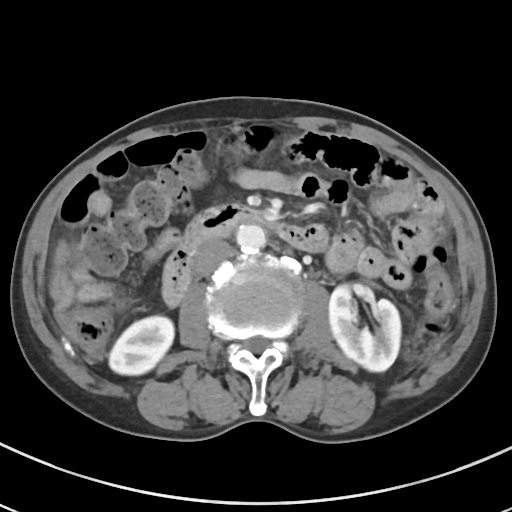

Abdominal CT — axial view — scan has 15 labeled organs (counted over the whole 3D scan, not this slice; an organ is boxed only where this slice passes through it)
Box edges are left/top/right/bottom in pixels. The annotated organs in this slice are: right kidney at left=109, top=316, right=173, bottom=375, left kidney at left=329, top=284, right=400, bottom=371, aorta at left=236, top=225, right=266, bottom=252, inferior vena cava at left=193, top=240, right=231, bottom=275, duodenum at left=162, top=204, right=328, bottom=306.